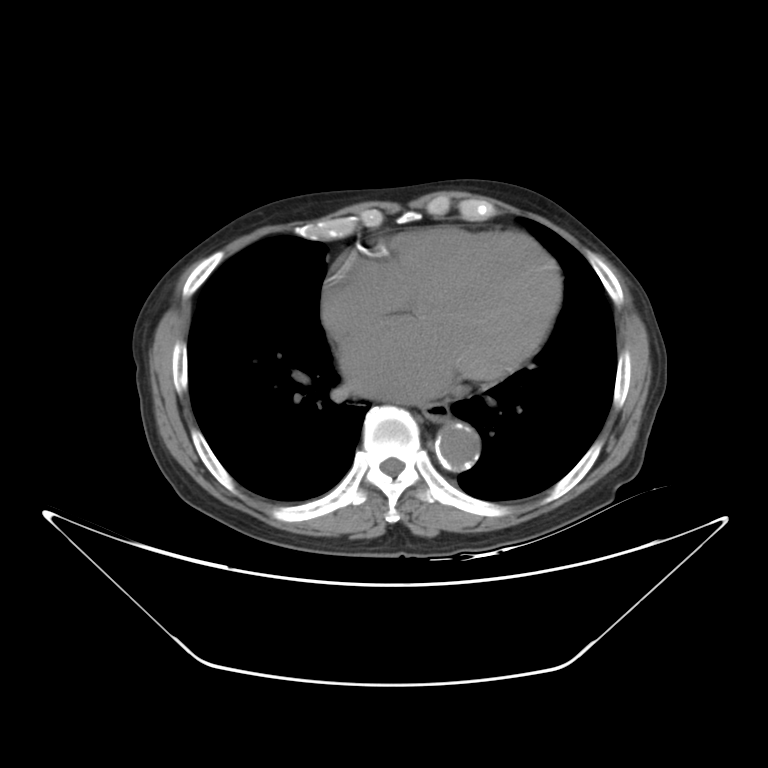
CT of the abdomen reaching into the lower chest, slice just above the liver and spleen · axial view · soft-tissue window, W/L 400/40 · 59-year-old male patient
Of the structures in the chest, this dataset labels only the esophagus, the aorta and the inferior vena cava; the heart and lungs have no label.
Organ boxes in pixel coordinates; each row gives the top-left (x1, y1) and bottom-right (x2, y2) corners.
| organ | x1 | y1 | x2 | y2 |
|---|---|---|---|---|
| esophagus | 419 | 401 | 449 | 421 |
| aorta | 435 | 422 | 480 | 469 |